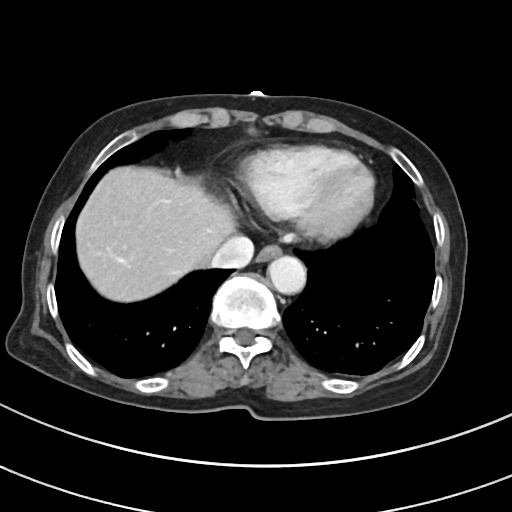
CT abdomen · axial plane, index 182 · 512x512 px · SOMATOM Force scanner · 15 organs annotated in this scan (that count is for the whole scan; organs this slice misses have no box)
<organs><organ name="liver" x1="74" y1="169" x2="233" y2="301"/><organ name="inferior vena cava" x1="210" y1="236" x2="254" y2="269"/><organ name="aorta" x1="268" y1="256" x2="306" y2="295"/><organ name="esophagus" x1="256" y1="246" x2="281" y2="263"/></organs>